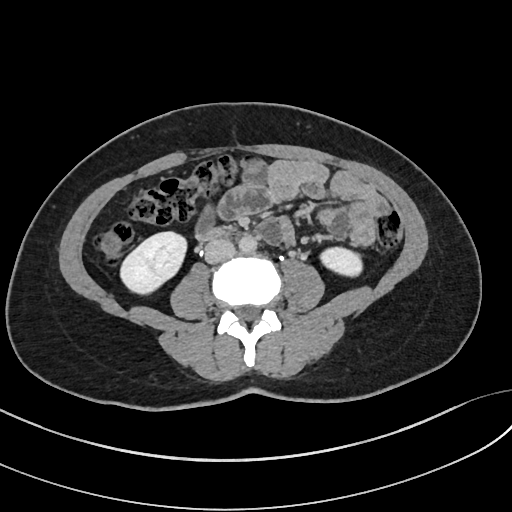 CT abdomen — axial view — abdomen soft-tissue window
Bounding boxes in pixels, one row per box: x1, y1 is the top-left corner and x2, y2 the bottom-right.
| organ | x1 | y1 | x2 | y2 |
|---|---|---|---|---|
| right kidney | 121 | 232 | 186 | 294 |
| left kidney | 320 | 247 | 362 | 276 |
| aorta | 239 | 235 | 256 | 253 |
| inferior vena cava | 204 | 239 | 235 | 263 |
| duodenum | 197 | 229 | 222 | 240 |